Abdominal CT; this slice is in the lower chest, just above the liver · Axial slice 213/224 · soft-tissue window · SOMATOM Force scanner
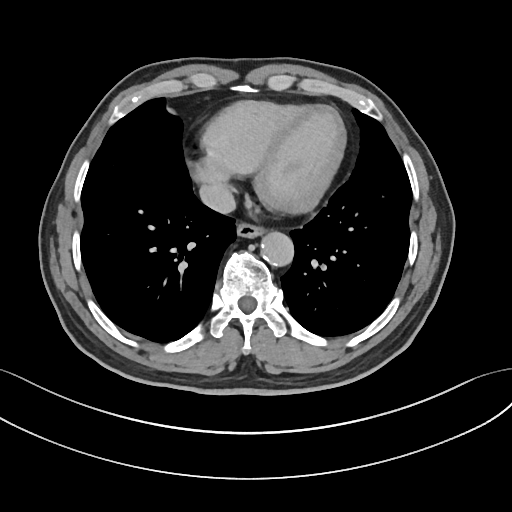

No part of the heart or lungs is labeled in this dataset, so neither has a box here.
Boxes are (x1, y1, x2, y2) in pixels.
esophagus: (236, 223, 264, 237)
aorta: (260, 232, 294, 266)
inferior vena cava: (199, 183, 235, 213)